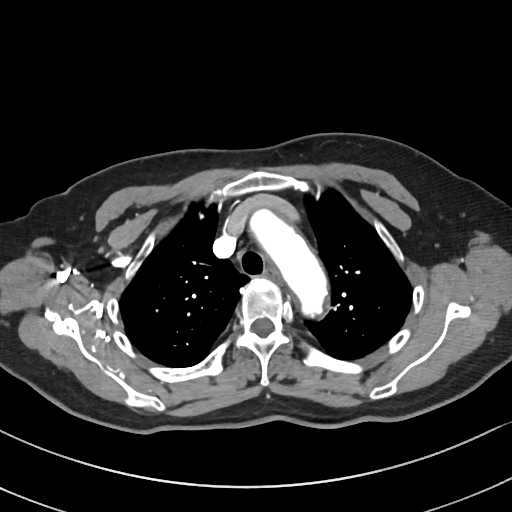
Abdominal CT reaching into the chest; this slice is in the chest; Axial slice 260/294; soft-tissue window (W 400 / L 40); SOMATOM Force scanner
At this level of the chest no structure but the esophagus and the aorta has a label in this dataset, and those two are boxed only where they are labeled. Box edges are left/top/right/bottom in pixels. 2 labeled organs on this slice — esophagus at left=263, top=267, right=281, bottom=283; aorta at left=250, top=207, right=327, bottom=318.